Abdominal CT; axial plane, index 44; 768x768 px; 14 organs annotated in this scan (counted over the whole 3D scan, not this slice; an organ is boxed only where this slice passes through it)
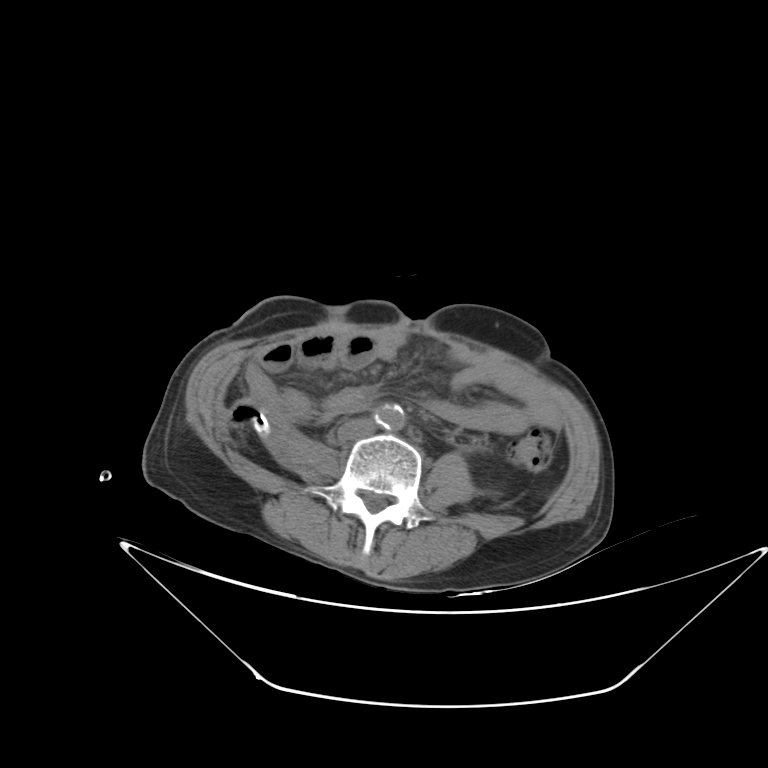

Bounding boxes in pixels, one row per box: x1, y1 is the top-left corner and x2, y2 the bottom-right.
| organ | x1 | y1 | x2 | y2 |
|---|---|---|---|---|
| aorta | 374 | 403 | 404 | 430 |
| inferior vena cava | 338 | 418 | 374 | 440 |